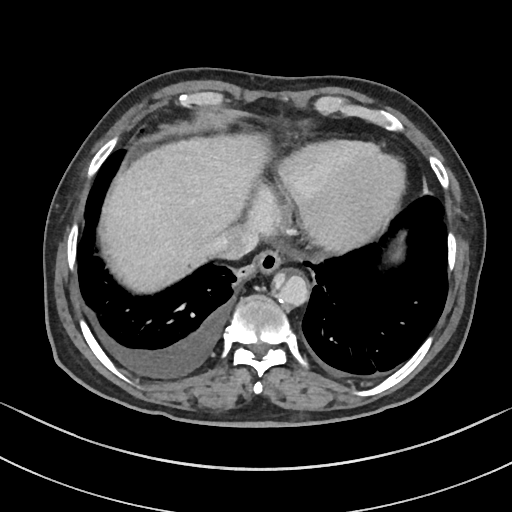

Computed tomography, abdomen; axial view; W/L 400/40 HU; 512x512 px
<organs><organ name="aorta" x1="273" y1="272" x2="308" y2="306"/><organ name="esophagus" x1="253" y1="249" x2="282" y2="273"/><organ name="inferior vena cava" x1="208" y1="224" x2="259" y2="259"/><organ name="liver" x1="99" y1="133" x2="269" y2="292"/></organs>